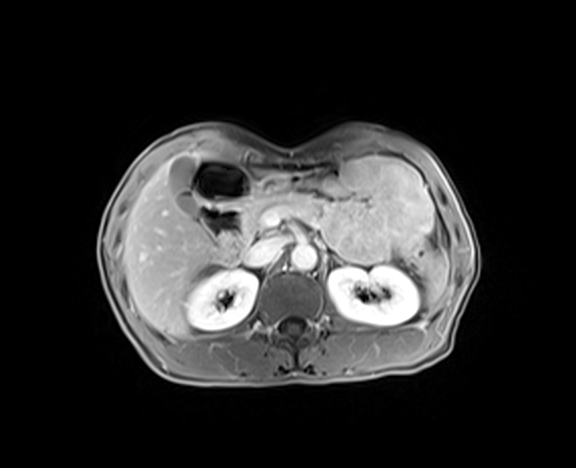

MRI, abdomen. axial view. 1st–99th percentile window
Bounding boxes as [x1, y1, x2, y2] in pixel coordinates.
Organ bounding boxes:
- right kidney: [185, 269, 257, 330]
- duodenum: [191, 159, 256, 264]
- pancreas: [240, 191, 324, 246]
- liver: [123, 151, 285, 336]
- stomach: [256, 174, 320, 195]
- spleen: [425, 255, 448, 306]
- aorta: [291, 243, 316, 271]
- left kidney: [328, 266, 420, 325]
- inferior vena cava: [244, 237, 285, 266]
- gall bladder: [169, 156, 197, 215]